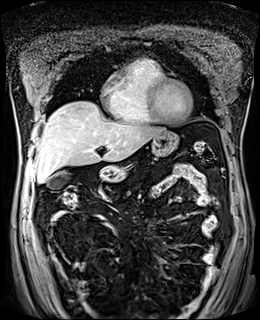
Magnetic resonance imaging, abdomen; coronal acquisition; percentile-normalized; 13 organs annotated in this scan (that count is for the whole scan; organs this slice misses have no box)
Organ boxes in pixel coordinates; each row gives the top-left (x1, y1) and bottom-right (x2, y2) corners.
| organ | x1 | y1 | x2 | y2 |
|---|---|---|---|---|
| stomach | 98 | 130 | 178 | 182 |
| liver | 34 | 101 | 165 | 182 |
| gall bladder | 47 | 171 | 69 | 189 |